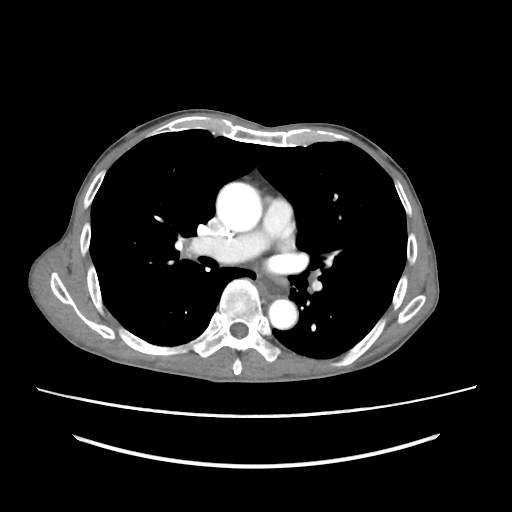 Abdominal CT reaching into the chest; this slice is in the chest · axial plane, index 98 · 62-year-old male patient · acquired on Aquilion ONE
At this level of the chest this dataset labels only the esophagus and the aorta, and each is boxed only where it is labeled; the heart and lungs are never labeled. Boxes: x1 y1 x2 y2 (pixel coords, space-separated). Labeled organs on this slice: esophagus at 258 275 286 297, aorta at 216 182 262 231, aorta at 268 299 297 329.